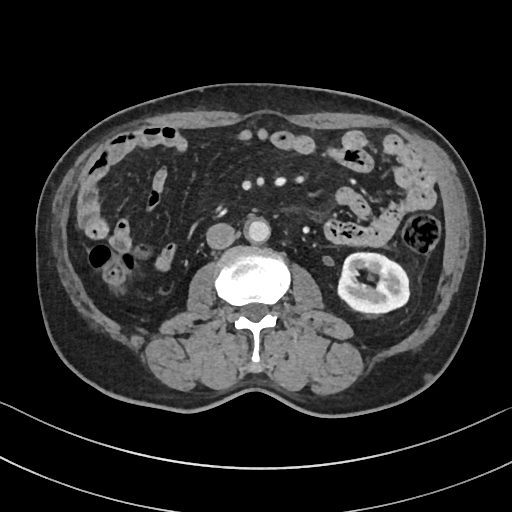 CT abdomen · axial view · acquired on SOMATOM Force
{"organs":{"inferior vena cava":[206,222,235,248],"left kidney":[336,253,410,312],"aorta":[244,218,269,242]}}